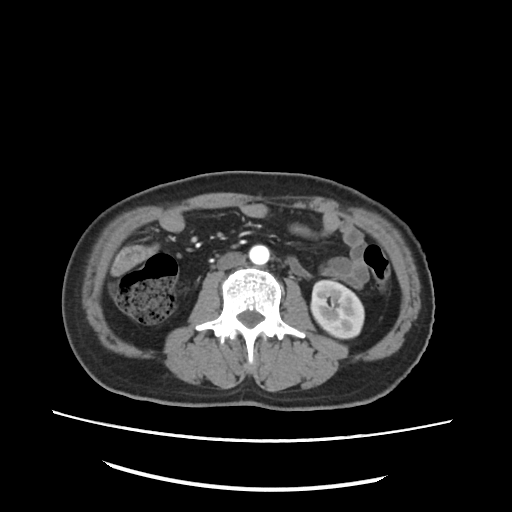 CT, abdomen/pelvis · axial view · 512x512 px · 54-year-old male patient · acquired on Aquilion ONE · 15 organs annotated in this scan (counted over the whole 3D scan, not this slice; an organ is boxed only where this slice passes through it)
Boxes: x1:y1:x2:y2 in pixels. Labeled organs on this slice: left kidney at 310:280:364:337, aorta at 249:245:270:264, inferior vena cava at 215:252:246:270.